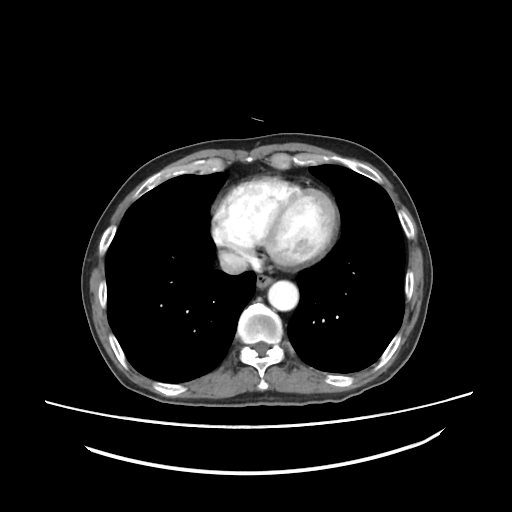

CT of the abdomen reaching into the lower chest, slice just above the liver and spleen; axial view; soft-tissue window, W/L 400/40; 68-year-old male patient; acquired on Aquilion ONE
Of the structures in the chest, this dataset labels only the esophagus, the aorta and the inferior vena cava; the heart and lungs have no label.
{"organs":{"esophagus":[256,274,272,288],"aorta":[268,280,298,310],"inferior vena cava":[218,251,248,274]}}